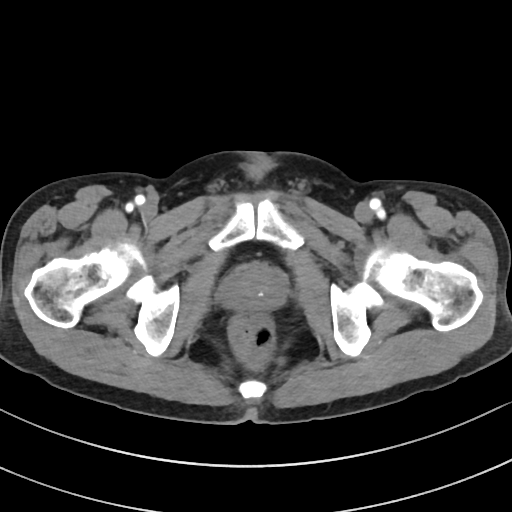 Abdominal CT · Axial slice 9/89 · 512x512 px · 15 organs annotated in this scan (a whole-scan count: organs this slice does not pass through have no box)
<organs><organ name="prostate/uterus" x1="223" y1="266" x2="284" y2="311"/></organs>